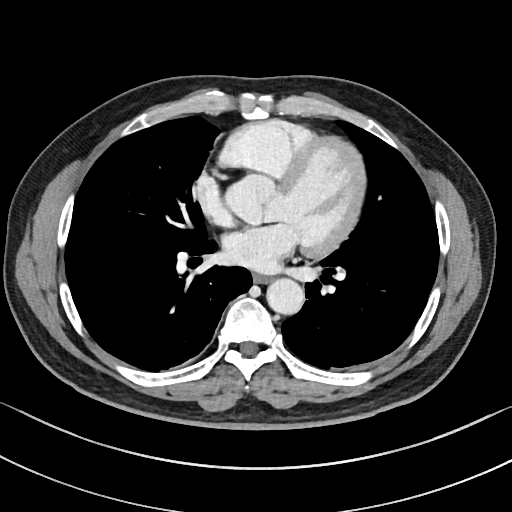
Abdominal CT; this slice is in the lower chest, just above the liver. axial view. SOMATOM Force scanner
The heart and lungs are never labeled in this dataset, so they have no box on this slice.
<organs><organ name="esophagus" x1="253" y1="274" x2="270" y2="283"/><organ name="aorta" x1="266" y1="278" x2="304" y2="314"/></organs>